Computed tomography, abdomen. Axial slice 47/345. abdomen soft-tissue window. 512x512 px. 15 organs annotated in this scan (a whole-scan count: organs this slice does not pass through have no box)
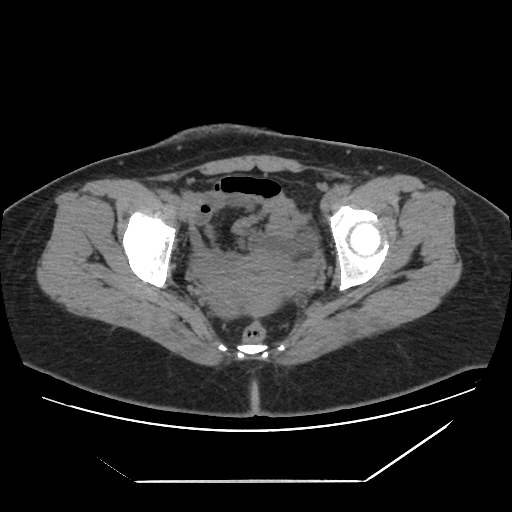 {"organs":{"bladder":[294,231,314,248],"prostate/uterus":[206,252,301,317]}}